Abdominal CT reaching into the chest; this slice is in the chest. Axial slice 90/131. W/L 400/40 HU. 512x512 px
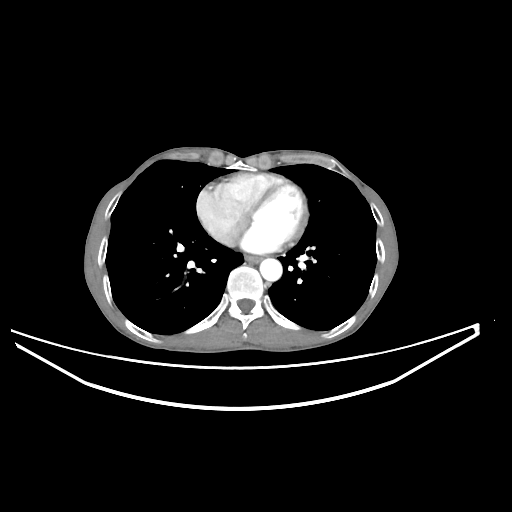

At this level of the chest this dataset labels only the esophagus and the aorta, and each is boxed only where it is labeled; the heart and lungs are never labeled.
Organ boxes in pixel coordinates; each row gives the top-left (x1, y1) and bottom-right (x2, y2) corners.
| organ | x1 | y1 | x2 | y2 |
|---|---|---|---|---|
| aorta | 260 | 258 | 282 | 281 |
| esophagus | 245 | 256 | 261 | 262 |